Abdominal CT · axial plane, index 76 · 768x768 px · 32-year-old female patient
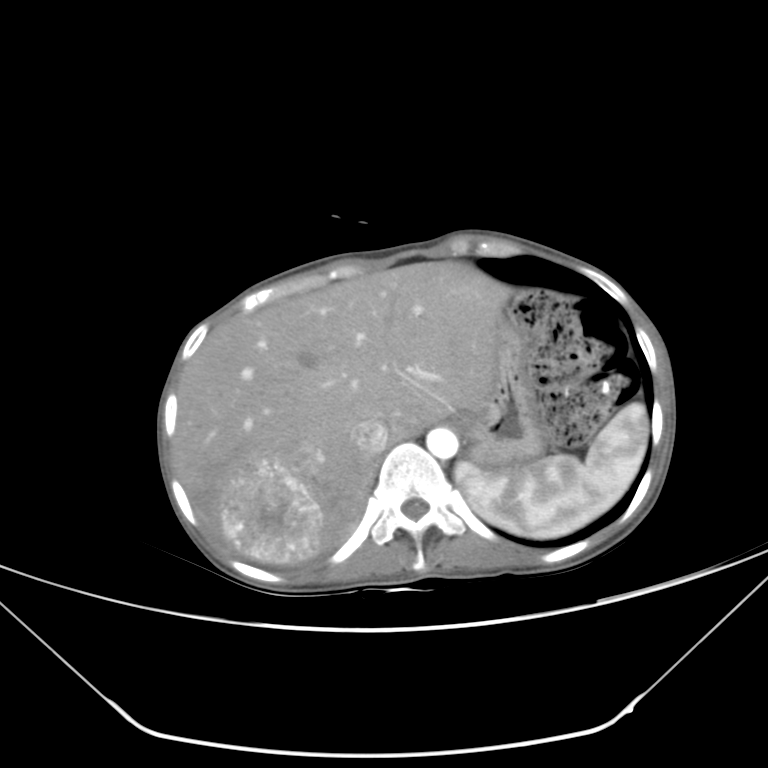 Bounding boxes in pixels, one row per box: x1, y1 is the top-left corner and x2, y2 the bottom-right.
| organ | x1 | y1 | x2 | y2 |
|---|---|---|---|---|
| spleen | 455 | 403 | 648 | 537 |
| aorta | 426 | 427 | 458 | 459 |
| inferior vena cava | 354 | 419 | 389 | 455 |
| liver | 174 | 261 | 510 | 565 |
| stomach | 454 | 306 | 547 | 477 |